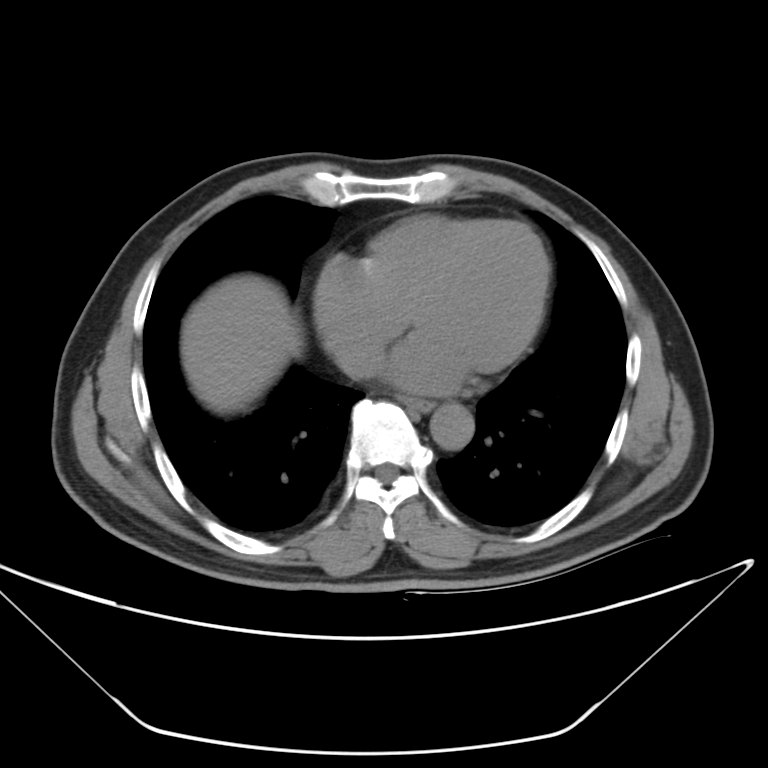
Abdominal CT — axial view — soft-tissue window (W 400 / L 40) — 45-year-old male patient — scan has 15 labeled organs (counted over the whole 3D scan, not this slice; an organ is boxed only where this slice passes through it)
Organ boxes in pixel coordinates; each row gives the top-left (x1, y1) and bottom-right (x2, y2) corners.
| organ | x1 | y1 | x2 | y2 |
|---|---|---|---|---|
| esophagus | 405 | 396 | 436 | 412 |
| liver | 181 | 274 | 301 | 407 |
| aorta | 431 | 402 | 473 | 449 |
| inferior vena cava | 332 | 333 | 382 | 378 |